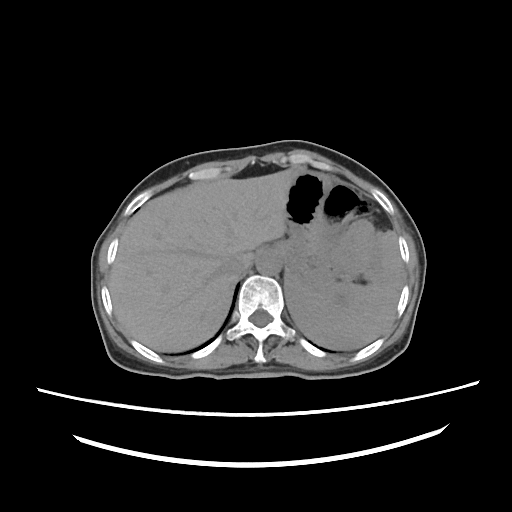
Abdominal CT — Axial slice 73/82 — abdomen soft-tissue window — 512x512 px — 58-year-old female patient — scan has 15 labeled organs (counted over the whole 3D scan, not this slice; an organ is boxed only where this slice passes through it)
<organs><organ name="spleen" x1="286" y1="231" x2="402" y2="349"/><organ name="esophagus" x1="259" y1="248" x2="274" y2="252"/><organ name="liver" x1="109" y1="169" x2="299" y2="352"/><organ name="stomach" x1="274" y1="171" x2="379" y2="301"/><organ name="aorta" x1="255" y1="249" x2="282" y2="275"/><organ name="inferior vena cava" x1="223" y1="260" x2="246" y2="277"/></organs>